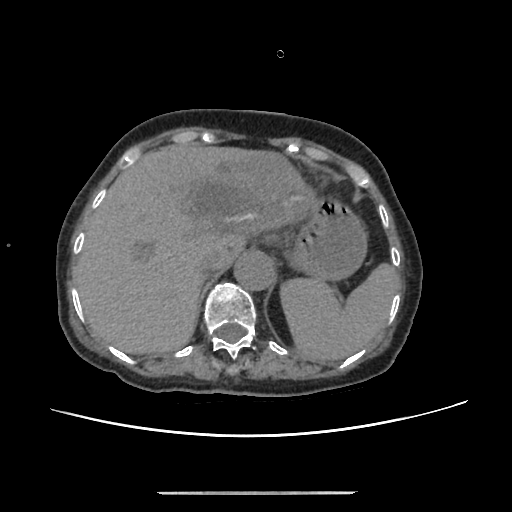
CT, abdomen/pelvis · Axial slice 282/353
Boxes: x1 y1 x2 y2 (pixel coords, space-separated).
Organ bounding boxes:
- spleen: 279 264 399 361
- liver: 74 145 317 354
- stomach: 292 200 367 282
- aorta: 234 253 275 291
- inferior vena cava: 199 252 220 273